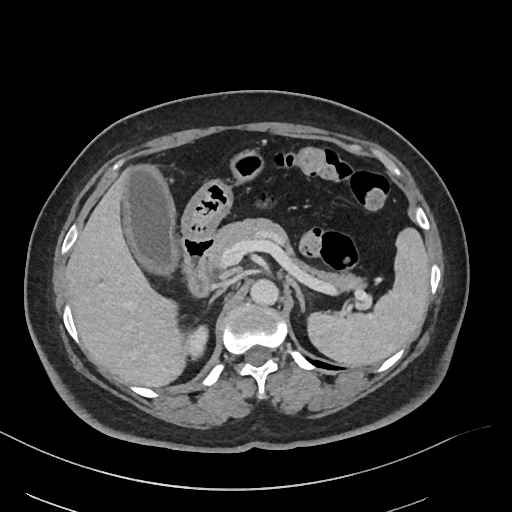

Computed tomography, abdomen · axial view · SOMATOM Force scanner
<organs><organ name="spleen" x1="304" y1="226" x2="429" y2="366"/><organ name="right kidney" x1="183" y1="326" x2="207" y2="356"/><organ name="gall bladder" x1="121" y1="163" x2="178" y2="277"/><organ name="liver" x1="65" y1="166" x2="184" y2="387"/><organ name="stomach" x1="154" y1="149" x2="260" y2="238"/><organ name="aorta" x1="251" y1="280" x2="279" y2="306"/><organ name="inferior vena cava" x1="213" y1="280" x2="234" y2="290"/><organ name="pancreas" x1="205" y1="217" x2="358" y2="289"/><organ name="right adrenal gland" x1="208" y1="290" x2="224" y2="304"/><organ name="left adrenal gland" x1="287" y1="277" x2="305" y2="311"/><organ name="duodenum" x1="182" y1="237" x2="213" y2="295"/></organs>